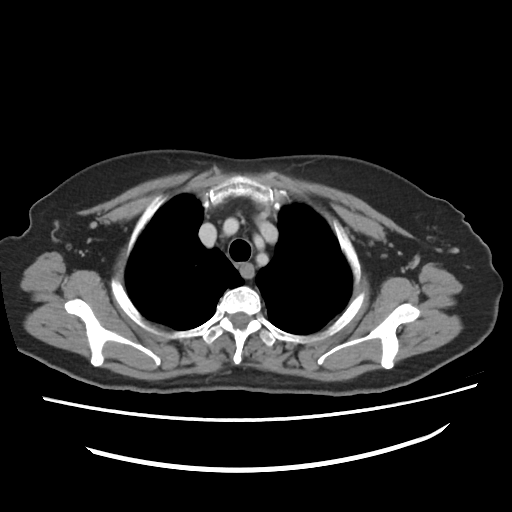
Abdominal CT reaching into the chest; this slice is in the chest; Axial slice 119/128; soft-tissue window (W 400 / L 40); 512x512 px
On a slice this high in the chest, this dataset labels only the esophagus and the aorta, and each is boxed only where it is labeled; the heart, lungs and other chest structures are not labeled.
Boxes are (x1, y1, x2, y2) in pixels.
esophagus: (240, 264, 253, 279)